Abdominal CT · axial view · acquired on SOMATOM Force
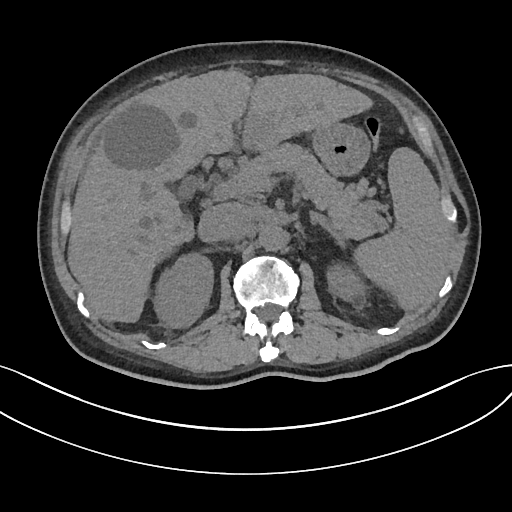 Box edges are left/top/right/bottom in pixels.
Organ bounding boxes:
- spleen: left=353, top=147, right=450, bottom=310
- right kidney: left=153, top=253, right=213, bottom=327
- left kidney: left=326, top=263, right=366, bottom=301
- gall bladder: left=177, top=176, right=198, bottom=198
- liver: left=68, top=70, right=372, bottom=322
- stomach: left=312, top=123, right=370, bottom=176
- aorta: left=259, top=223, right=287, bottom=250
- inferior vena cava: left=199, top=203, right=247, bottom=241
- pancreas: left=234, top=143, right=386, bottom=238
- left adrenal gland: left=310, top=211, right=343, bottom=247